Abdominal CT. axial view. abdomen soft-tissue window. 56-year-old female patient
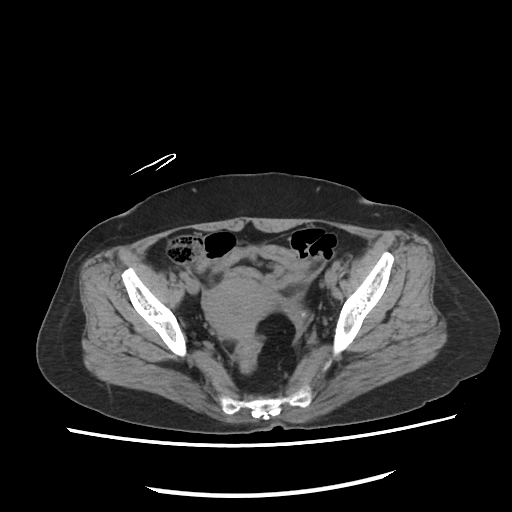

Box edges are left/top/right/bottom in pixels.
Organ bounding boxes:
- prostate/uterus: left=203, top=278, right=275, bottom=339